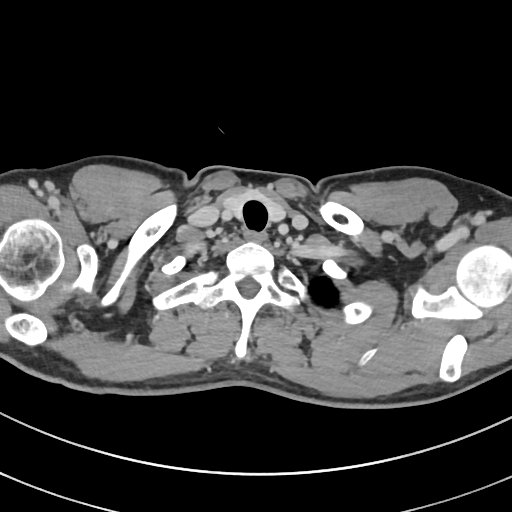

Chest-level CT slice, above the liver and spleen — Axial slice 287/298 — 15 organs annotated in this scan (that count is for the whole scan; organs this slice misses have no box)
At this level of the chest no structure but the esophagus and the aorta has a label in this dataset, and those two are boxed only where they are labeled.
<organs><organ name="esophagus" x1="244" y1="231" x2="265" y2="242"/></organs>